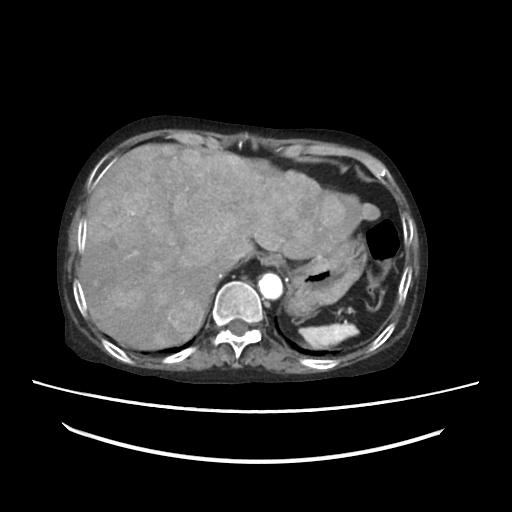
CT abdomen; axial view
Box edges are left/top/right/bottom in pixels.
Organ bounding boxes:
- spleen: left=299, top=326, right=359, bottom=348
- esophagus: left=258, top=254, right=281, bottom=266
- liver: left=78, top=144, right=381, bottom=348
- stomach: left=286, top=237, right=364, bottom=318
- aorta: left=258, top=275, right=282, bottom=299
- inferior vena cava: left=216, top=248, right=242, bottom=270